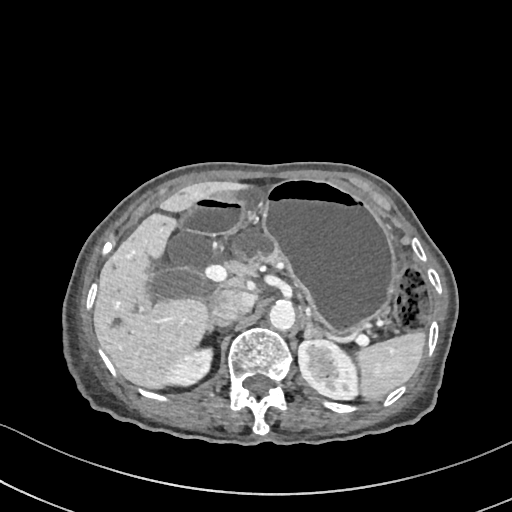 CT, abdomen/pelvis — axial view — abdomen soft-tissue window — 512x512 px
{"organs":{"spleen":[356,330,425,401],"right kidney":[167,348,211,385],"left kidney":[298,339,358,399],"gall bladder":[149,268,205,300],"liver":[93,181,252,388],"stomach":[262,179,398,333],"aorta":[268,301,295,330],"inferior vena cava":[210,289,256,321],"pancreas":[232,228,282,263],"right adrenal gland":[207,319,231,332],"left adrenal gland":[304,317,321,338],"duodenum":[181,199,243,234]}}